CT abdomen — axial plane, index 161 — 512x512 px — 15 organs annotated in this scan (that count is for the whole scan; organs this slice misses have no box)
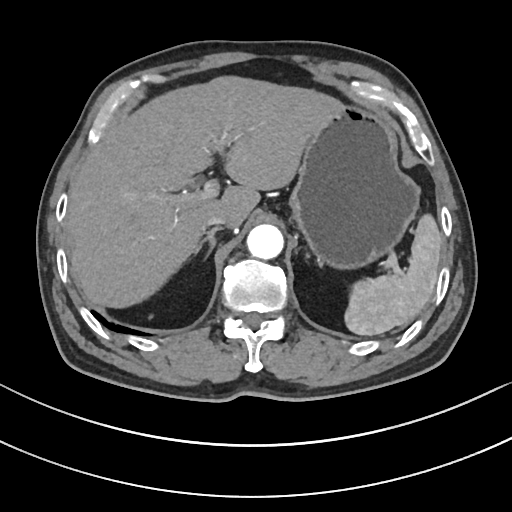
Boxes: x1 y1 x2 y2 (pixel coords, space-separated).
Organ bounding boxes:
- spleen: 344 214 442 335
- aorta: 246 224 284 259
- liver: 66 76 338 307
- stomach: 289 103 419 268
- inferior vena cava: 204 215 226 228
- right adrenal gland: 193 228 219 259